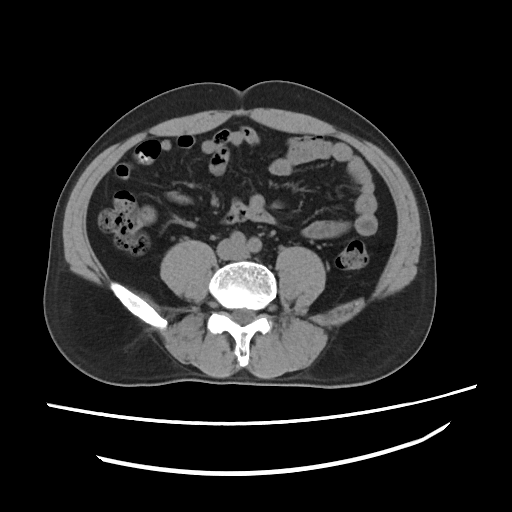
Computed tomography, abdomen — axial plane, index 43 — W/L 400/40 HU — 512x512 px
One row per box, in pixels: columns x1 and y1 give the top-left corner, x2 and y2 the bottom-right.
| organ | x1 | y1 | x2 | y2 |
|---|---|---|---|---|
| inferior vena cava | 216 | 240 | 249 | 261 |